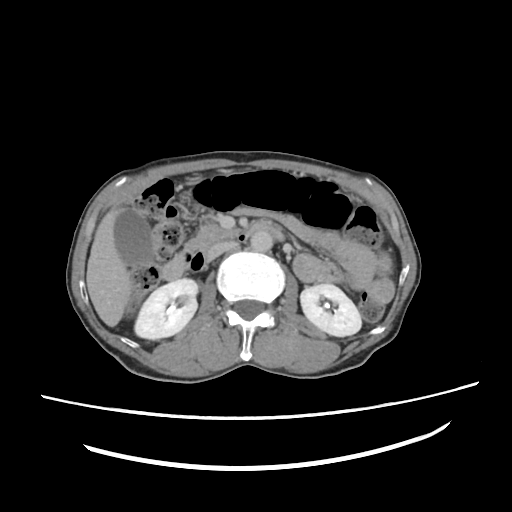 CT, abdomen/pelvis; axial plane, index 57; W/L 400/40 HU; 72-year-old male patient; scan has 15 labeled organs (counted over the whole 3D scan, not this slice; an organ is boxed only where this slice passes through it)
Boxes: x1 y1 x2 y2 (pixel coords, space-separated).
Organ bounding boxes:
- left kidney: 301 282 361 335
- pancreas: 183 225 237 252
- liver: 86 205 133 327
- inferior vena cava: 205 242 236 260
- gall bladder: 115 207 151 265
- right kidney: 134 278 198 339
- duodenum: 160 223 285 279
- aorta: 251 230 271 251